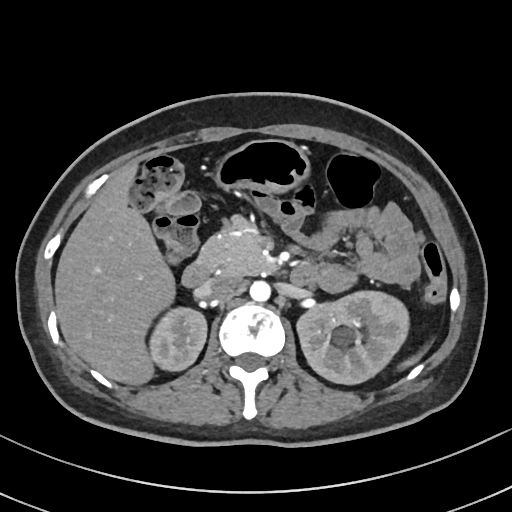
CT abdomen — axial plane, index 132 — soft-tissue window (W 400 / L 40) — 512x512 px
Organ boxes in pixel coordinates; each row gives the top-left (x1, y1) and bottom-right (x2, y2) corners.
| organ | x1 | y1 | x2 | y2 |
|---|---|---|---|---|
| duodenum | 181 | 261 | 315 | 286 |
| pancreas | 196 | 215 | 274 | 275 |
| aorta | 249 | 280 | 270 | 301 |
| spleen | 399 | 352 | 423 | 369 |
| right kidney | 149 | 306 | 207 | 371 |
| inferior vena cava | 200 | 274 | 240 | 298 |
| left kidney | 298 | 290 | 407 | 384 |
| stomach | 218 | 140 | 307 | 193 |
| liver | 56 | 165 | 176 | 384 |